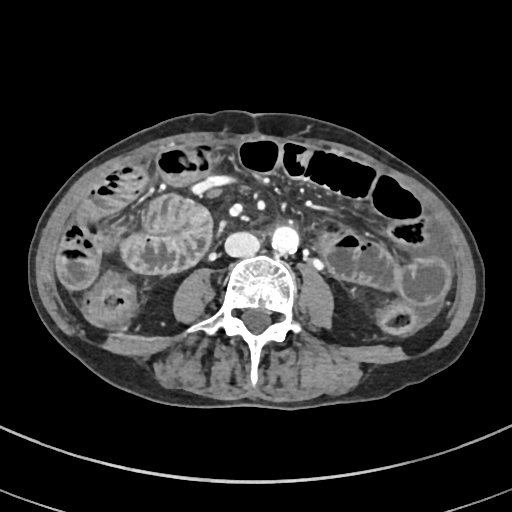
CT, abdomen/pelvis. Axial slice 93/198. soft-tissue window. 512x512 px. scan has 14 labeled organs (counted over the whole 3D scan, not this slice; an organ is boxed only where this slice passes through it)
One row per box, in pixels: columns x1 and y1 give the top-left corner, x2 and y2 the bottom-right.
| organ | x1 | y1 | x2 | y2 |
|---|---|---|---|---|
| inferior vena cava | 223 | 232 | 259 | 256 |
| aorta | 272 | 226 | 299 | 254 |